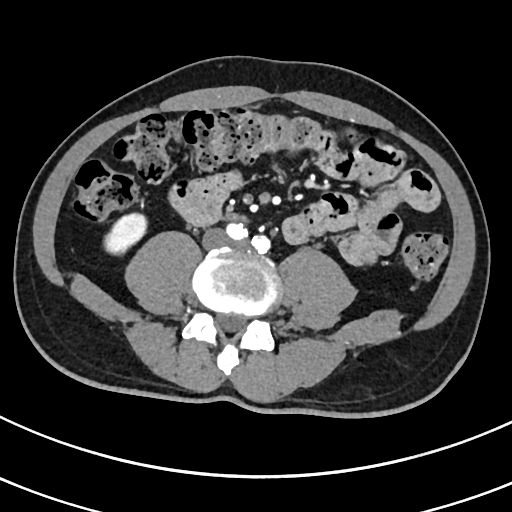
CT, abdomen/pelvis · axial view · W/L 400/40 HU
Boxes are (x1, y1, x2, y2) in pixels. 2 labeled organs on this slice — right kidney at (104, 213, 146, 254); duodenum at (224, 211, 245, 222).